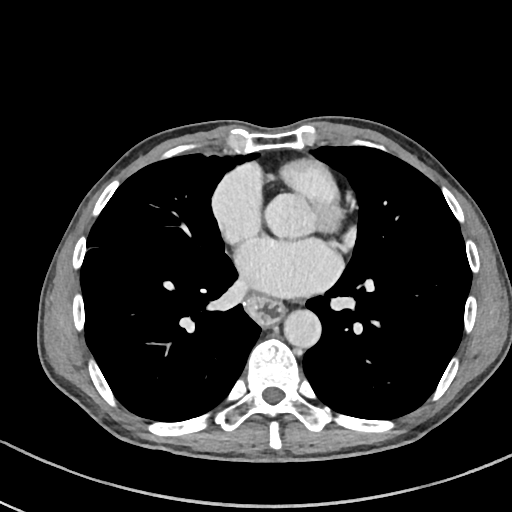 Abdominal CT; this slice is in the lower chest, just above the liver · axial view · 512x512 px · 15 organs annotated in this scan (a whole-scan count: organs this slice does not pass through have no box)
The heart and lungs are never labeled in this dataset, so they have no box on this slice.
{"organs":{"esophagus":[247,295,282,323],"aorta":[283,310,321,347]}}